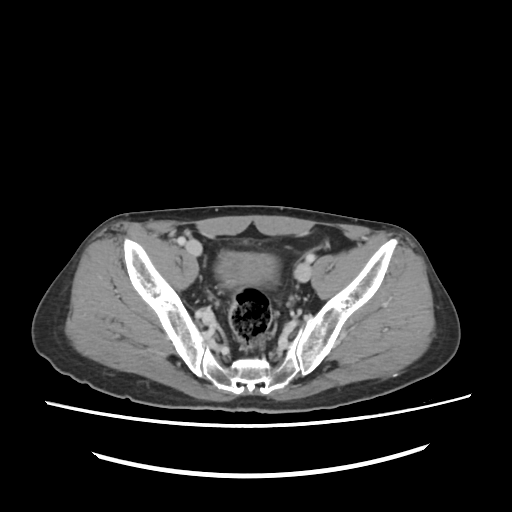
Abdominal CT; Axial slice 27/126; 15 organs annotated in this scan (counted over the whole 3D scan, not this slice; an organ is boxed only where this slice passes through it)
{"organs":{"bladder":[215,250,281,287]}}